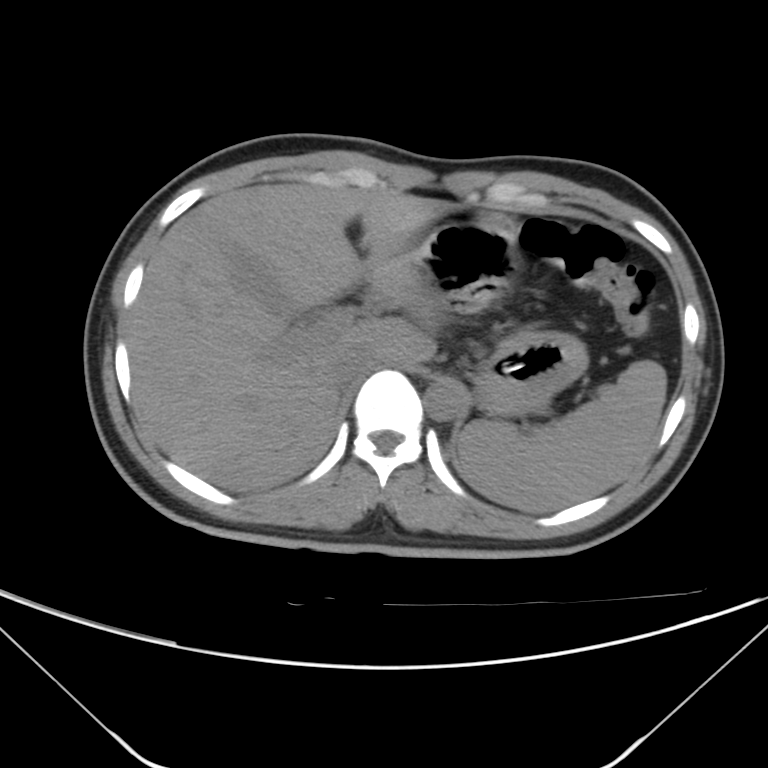
Computed tomography, abdomen — axial view — soft-tissue window (W 400 / L 40) — 24-year-old male patient — acquired on Brilliance16 — 15 organs annotated in this scan (that count is for the whole scan; organs this slice misses have no box)
Coordinates as <box>x1,y1,x2,y2</box> in pixels.
spleen: <box>457,360,666,512</box>
gall bladder: <box>238,255,284,308</box>
liver: <box>127,184,446,490</box>
stomach: <box>379,220,588,416</box>
aorta: <box>425,377,466,420</box>
inferior vena cava: <box>332,347,378,388</box>